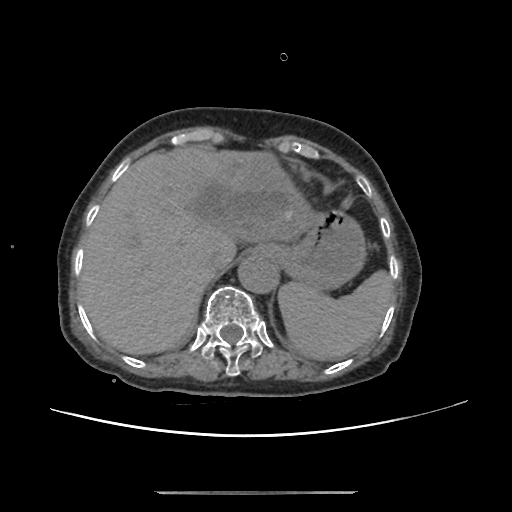
Abdominal CT — axial view — soft-tissue window (W 400 / L 40)
{"organs":{"spleen":[278,271,393,360],"esophagus":[251,246,261,254],"liver":[80,146,318,354],"stomach":[261,210,365,291],"aorta":[238,256,278,294],"inferior vena cava":[203,248,227,273]}}